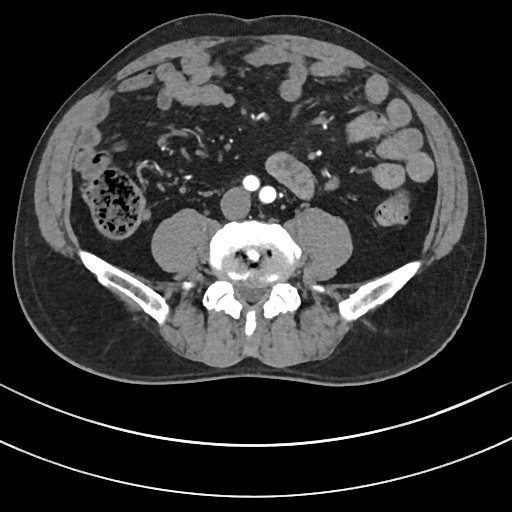

CT abdomen. Axial slice 87/280. soft-tissue window (W 400 / L 40). 15 organs annotated in this scan (that count is for the whole scan; organs this slice misses have no box)
Coordinates as <box>x1,y1,x2,y2</box> in pixels.
inferior vena cava: <box>222,188,250,218</box>